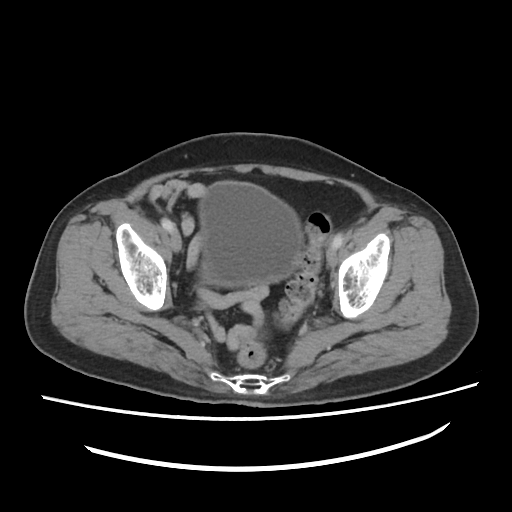

CT, abdomen/pelvis · axial view · soft-tissue window · 61-year-old female patient
Coordinates as <box>x1,y1,x2,y2</box> in pixels.
Organ bounding boxes:
- bladder: <box>200,181,300,286</box>